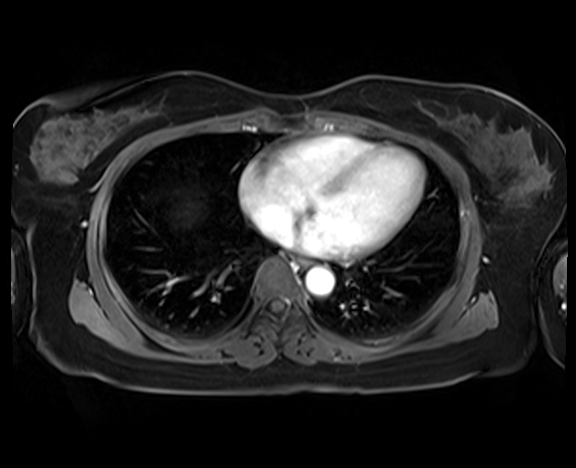 Magnetic resonance imaging, abdomen; Axial slice 67/72; Prisma scanner
<organs><organ name="esophagus" x1="295" y1="257" x2="310" y2="268"/><organ name="liver" x1="174" y1="196" x2="199" y2="219"/><organ name="aorta" x1="305" y1="267" x2="334" y2="295"/><organ name="inferior vena cava" x1="277" y1="231" x2="289" y2="242"/></organs>